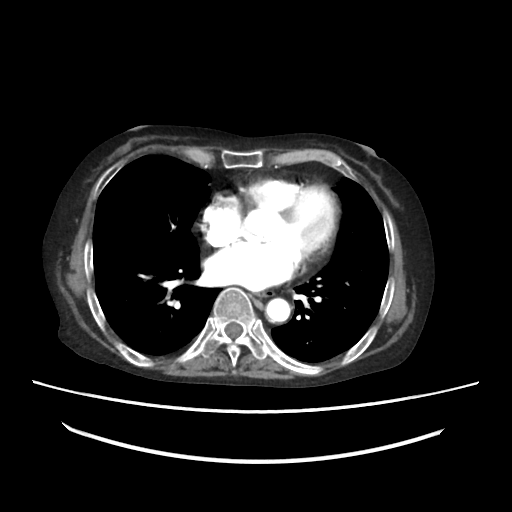
Abdominal CT; this slice is in the lower chest, just above the liver — axial view — W/L 400/40 HU — scan has 15 labeled organs (that count is for the whole scan; organs this slice misses have no box)
Of the structures in the chest, this dataset labels only the esophagus, the aorta and the inferior vena cava; the heart and lungs have no label.
Bounding boxes in pixels, one row per box: x1, y1 is the top-left corner and x2, y2 the bottom-right.
| organ | x1 | y1 | x2 | y2 |
|---|---|---|---|---|
| esophagus | 257 | 294 | 265 | 297 |
| aorta | 262 | 298 | 290 | 322 |